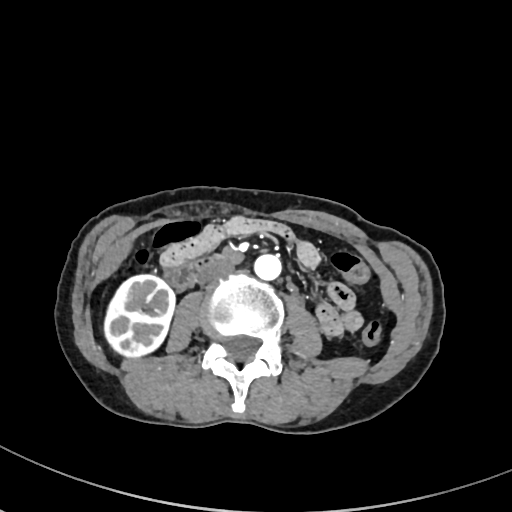
CT, abdomen/pelvis; axial view; W/L 400/40 HU; 512x512 px; acquired on SOMATOM Force; scan has 15 labeled organs (counted over the whole 3D scan, not this slice; an organ is boxed only where this slice passes through it)
Boxes are (x1, y1, x2, y2) in pixels.
Organ bounding boxes:
- inferior vena cava: (197, 266, 230, 284)
- duodenum: (164, 256, 225, 289)
- aorta: (254, 254, 281, 280)
- right kidney: (104, 275, 175, 357)